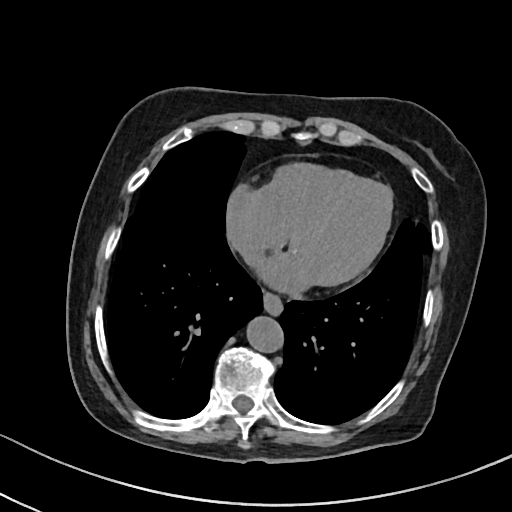

CT of the abdomen reaching into the lower chest, slice just above the liver and spleen · Axial slice 197/202 · acquired on SOMATOM Force
The heart and lungs are never labeled in this dataset, so they have no box on this slice.
Boxes: x1:y1:x2:y2 in pixels.
esophagus: 263:293:282:314
aorta: 245:315:281:351
inferior vena cava: 230:235:254:257